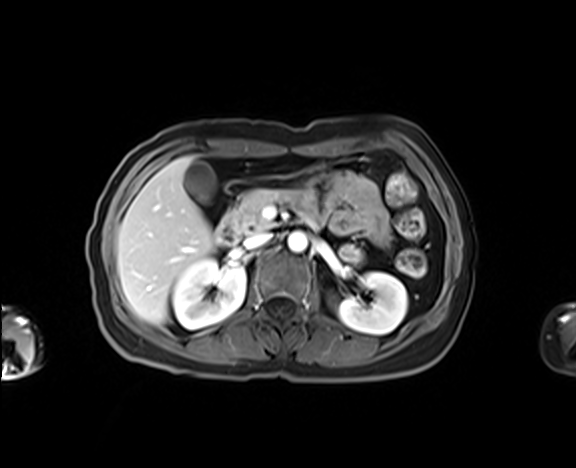

Abdominal MR · axial plane, index 32 · 576x468 px · acquired on Prisma · scan has 13 labeled organs (that count is for the whole scan; organs this slice misses have no box)
One row per box, in pixels: columns x1 and y1 give the top-left corner, x2 and y2 the bottom-right.
| organ | x1 | y1 | x2 | y2 |
|---|---|---|---|---|
| right kidney | 172 | 258 | 245 | 328 |
| left kidney | 338 | 272 | 407 | 334 |
| gall bladder | 183 | 161 | 215 | 200 |
| liver | 117 | 157 | 216 | 324 |
| aorta | 288 | 231 | 307 | 252 |
| inferior vena cava | 244 | 233 | 271 | 248 |
| pancreas | 229 | 189 | 311 | 234 |
| duodenum | 215 | 215 | 238 | 245 |